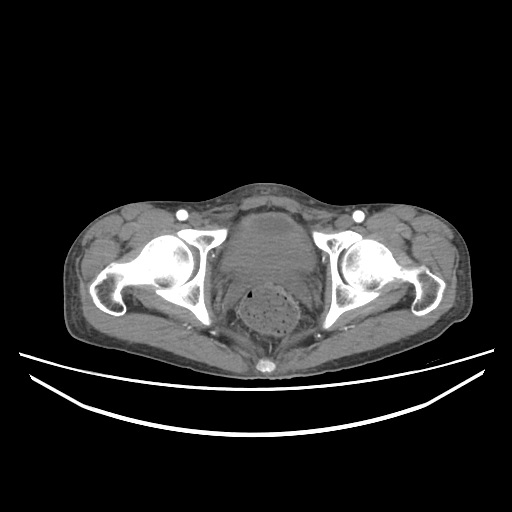
CT, abdomen/pelvis · axial view · 512x512 px
<organs><organ name="bladder" x1="222" y1="213" x2="315" y2="270"/></organs>